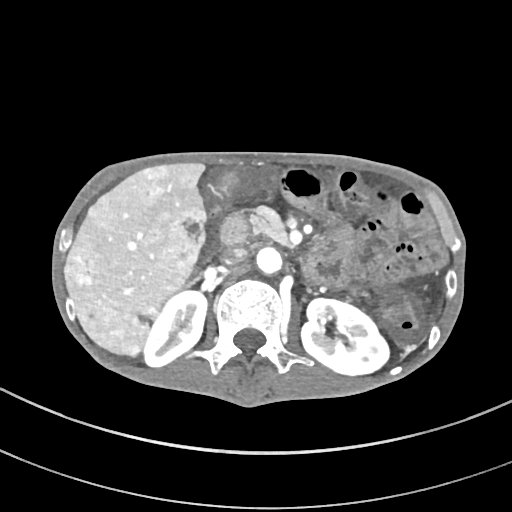

CT, abdomen/pelvis. axial view
Boxes are (x1, y1, x2, y2) in pixels.
Organ bounding boxes:
- inferior vena cava: (222, 247, 247, 264)
- gall bladder: (217, 174, 238, 193)
- left kidney: (301, 297, 388, 377)
- liver: (65, 162, 207, 355)
- duodenum: (220, 213, 351, 287)
- aorta: (255, 245, 283, 276)
- right kidney: (142, 290, 206, 366)
- pancreas: (252, 207, 288, 245)